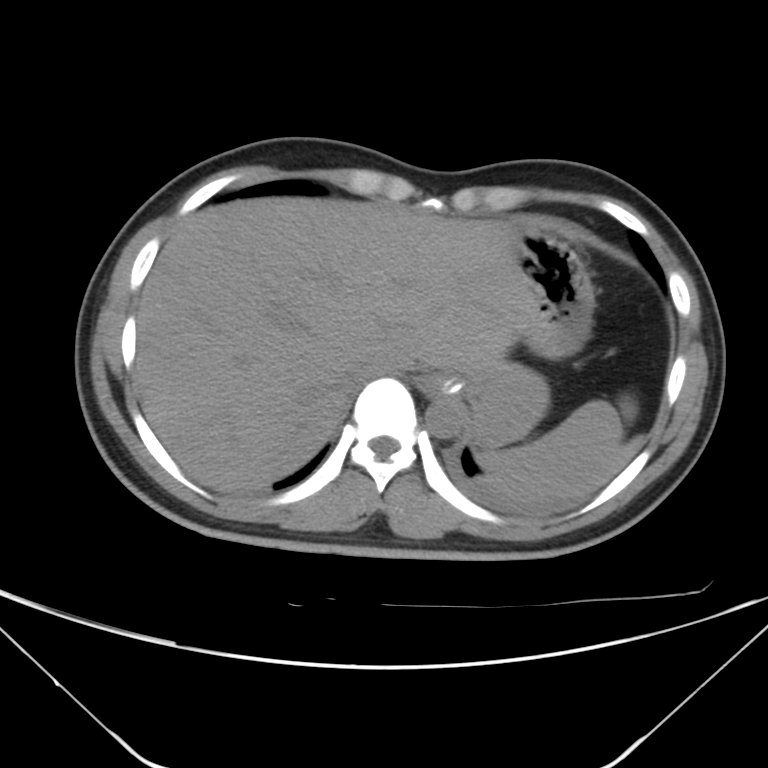 Abdominal CT — axial view — 768x768 px
{"organs":{"stomach":[436,229,593,445],"aorta":[425,394,466,438],"inferior vena cava":[345,363,386,388],"esophagus":[416,375,451,395],"spleen":[478,400,633,503],"liver":[135,197,641,490]}}